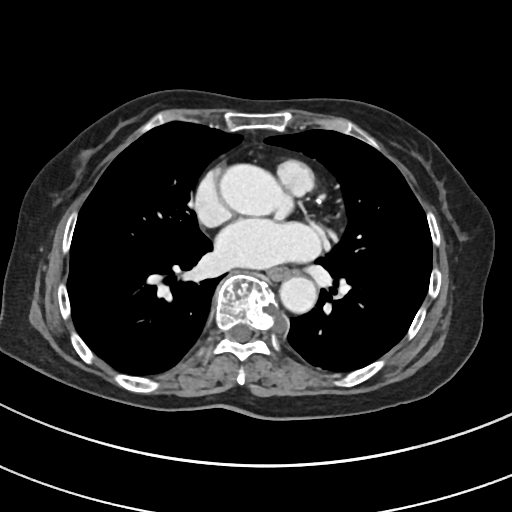

CT of the abdomen reaching into the lower chest, slice just above the liver and spleen — axial plane, index 209 — W/L 400/40 HU — SOMATOM Force scanner — 15 organs annotated in this scan (counted over the whole 3D scan, not this slice; an organ is boxed only where this slice passes through it)
Of the structures in the chest, this dataset labels only the esophagus, the aorta and the inferior vena cava; the heart and lungs have no label.
{"organs":{"esophagus":[267,269,289,281],"aorta":[[219,163,277,213],[279,278,316,314]]}}